CT abdomen · Axial slice 137/173 · 512x512 px · 15 organs annotated in this scan (counted over the whole 3D scan, not this slice; an organ is boxed only where this slice passes through it)
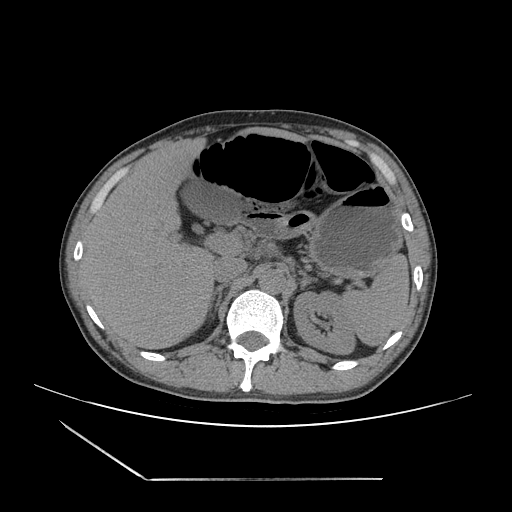

<organs><organ name="gall bladder" x1="176" y1="181" x2="239" y2="225"/><organ name="duodenum" x1="221" y1="210" x2="280" y2="236"/><organ name="liver" x1="81" y1="127" x2="305" y2="349"/><organ name="stomach" x1="278" y1="185" x2="401" y2="276"/><organ name="inferior vena cava" x1="211" y1="257" x2="246" y2="283"/><organ name="aorta" x1="258" y1="268" x2="286" y2="293"/><organ name="left kidney" x1="293" y1="290" x2="357" y2="355"/><organ name="left adrenal gland" x1="299" y1="272" x2="315" y2="288"/><organ name="right adrenal gland" x1="208" y1="284" x2="226" y2="304"/><organ name="spleen" x1="344" y1="252" x2="409" y2="345"/></organs>